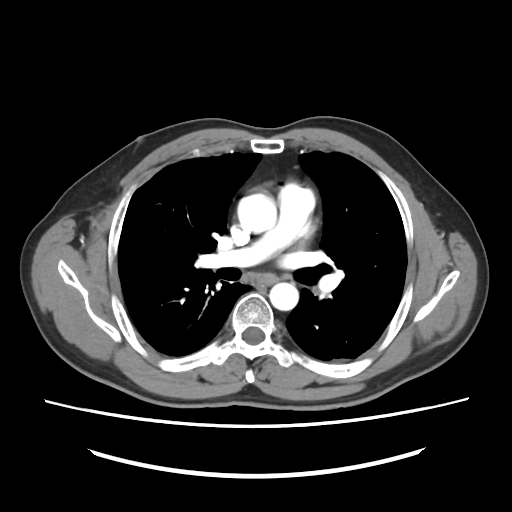

Abdominal CT reaching into the chest; this slice is in the chest; axial plane, index 108; 512x512 px; 15 organs annotated in this scan (that count is for the whole scan; organs this slice misses have no box)
On a slice this high in the chest, this dataset labels only the esophagus and the aorta, and each is boxed only where it is labeled; the heart, lungs and other chest structures are not labeled.
{"organs":{"esophagus":[258,276,276,284],"aorta":[[237,192,276,233],[269,282,298,310]]}}